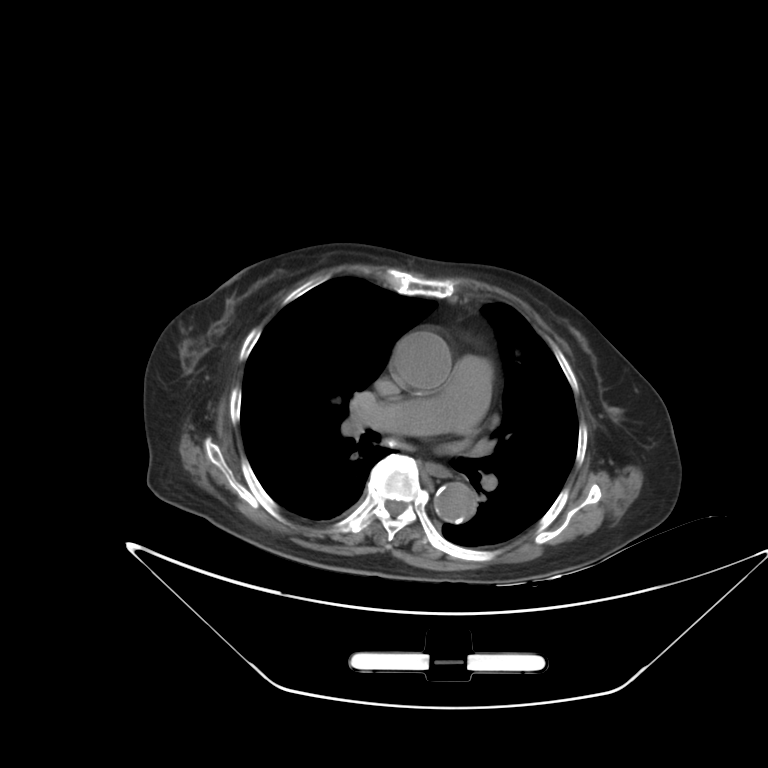

Abdominal CT; this slice is in the lower chest, just above the liver. axial view. 768x768 px
Of the structures in the chest, this dataset labels only the esophagus, the aorta and the inferior vena cava; the heart and lungs have no label. Boxes are (x1, y1, x2, y2) in pixels. 2 labeled organs on this slice — esophagus at (426, 464, 448, 477); aorta at (395, 331, 452, 389); aorta at (434, 482, 476, 522).